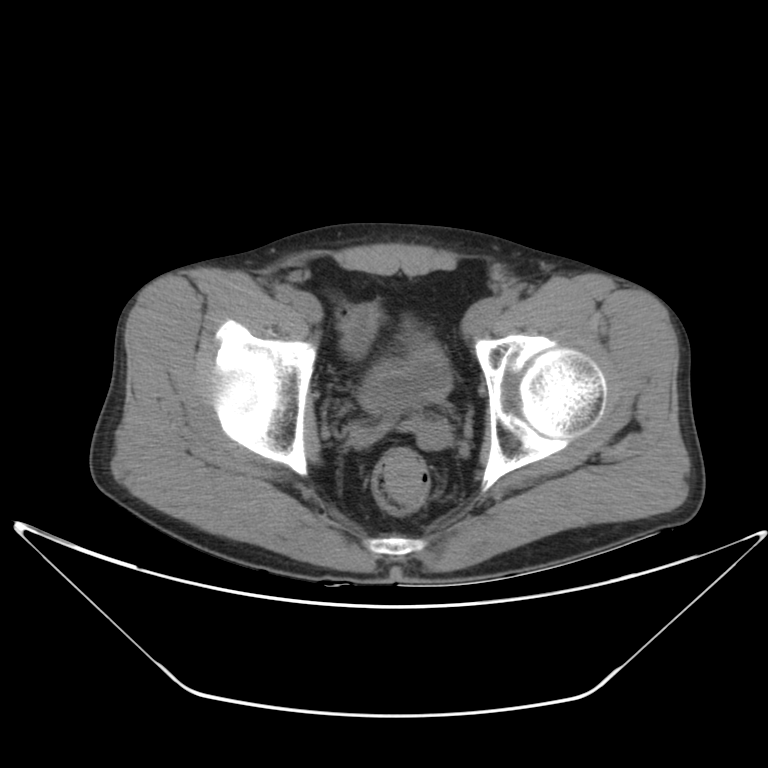 CT abdomen · Axial slice 19/93 · Brilliance16 scanner
Organ boxes in pixel coordinates; each row gives the top-left (x1, y1) and bottom-right (x2, y2) corners.
| organ | x1 | y1 | x2 | y2 |
|---|---|---|---|---|
| bladder | 361 | 321 | 450 | 410 |